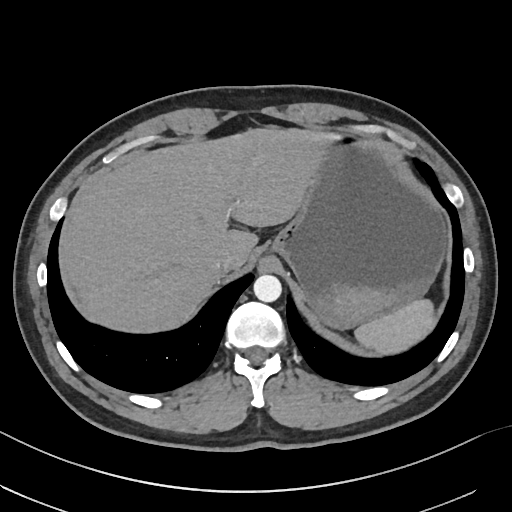

CT abdomen; axial view; soft-tissue window
One row per box, in pixels: columns x1 and y1 give the top-left corner, x2 and y2 the bottom-right.
| organ | x1 | y1 | x2 | y2 |
|---|---|---|---|---|
| spleen | 355 | 299 | 436 | 354 |
| liver | 65 | 127 | 332 | 333 |
| stomach | 272 | 132 | 447 | 329 |
| aorta | 253 | 275 | 281 | 302 |
| inferior vena cava | 212 | 251 | 239 | 273 |